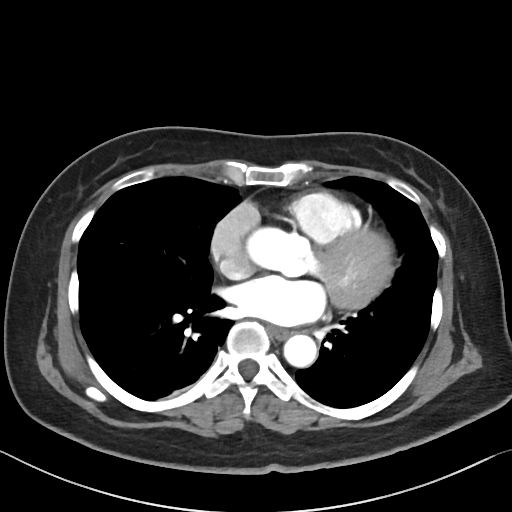

Abdominal CT; this slice is in the lower chest, just above the liver — axial plane, index 87 — W/L 400/40 HU — 512x512 px — 15 organs annotated in this scan (counted over the whole 3D scan, not this slice; an organ is boxed only where this slice passes through it)
The heart and lungs are never labeled in this dataset, so they have no box on this slice.
<organs><organ name="aorta" x1="284" y1="334" x2="317" y2="367"/><organ name="esophagus" x1="268" y1="326" x2="292" y2="339"/></organs>